CT, abdomen/pelvis. axial view. 768x768 px. Brilliance16 scanner. scan has 15 labeled organs (that count is for the whole scan; organs this slice misses have no box)
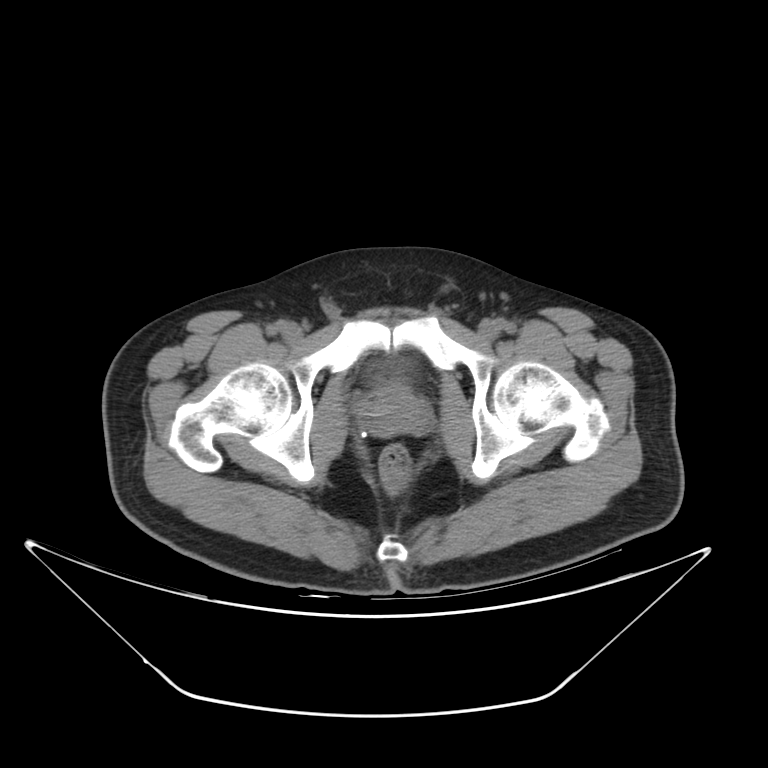

Coordinates as <box>x1,y1,x2,y2</box> in pixels. The annotated organs in this slice are: prostate/uterus at <box>365,387,427,437</box>.